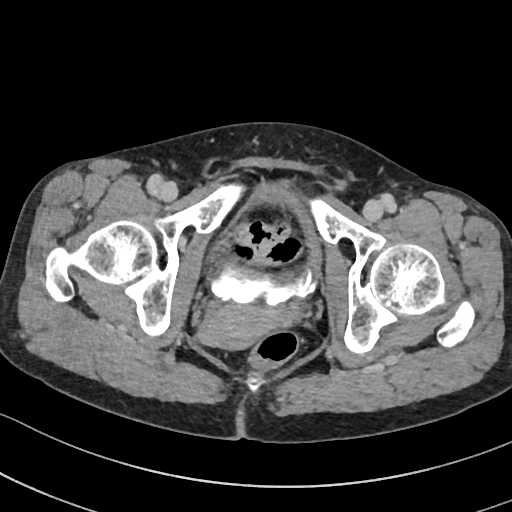

Computed tomography, abdomen · axial plane, index 15
Bounding boxes as [x1, y1, x2, y2] in pixel coordinates.
bladder: [212, 184, 321, 306]
prostate/uterus: [199, 304, 293, 350]